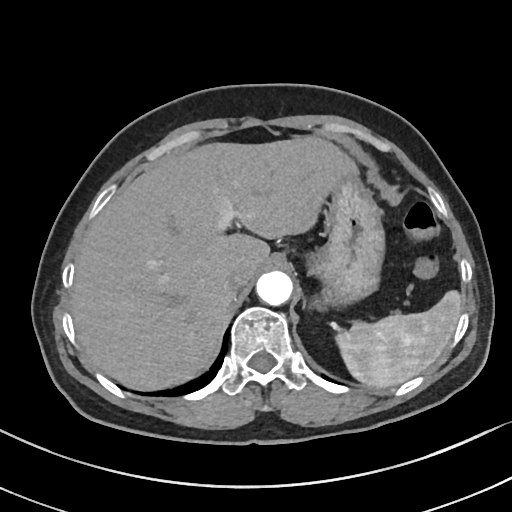

Computed tomography, abdomen; axial view; 512x512 px; scan has 15 labeled organs (counted over the whole 3D scan, not this slice; an organ is boxed only where this slice passes through it)
<organs><organ name="liver" x1="71" y1="136" x2="357" y2="391"/><organ name="spleen" x1="335" y1="290" x2="461" y2="388"/><organ name="aorta" x1="256" y1="270" x2="292" y2="305"/><organ name="inferior vena cava" x1="221" y1="266" x2="250" y2="291"/><organ name="stomach" x1="311" y1="170" x2="384" y2="305"/></organs>